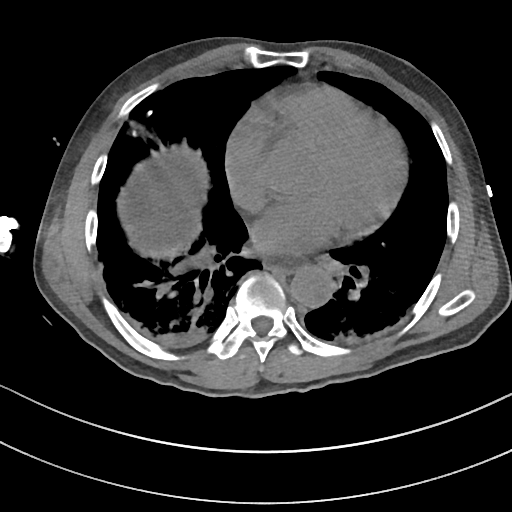 Abdominal CT · axial plane, index 240 · 512x512 px · acquired on SOMATOM Force
<organs><organ name="esophagus" x1="264" y1="256" x2="305" y2="272"/><organ name="liver" x1="143" y1="165" x2="189" y2="241"/><organ name="aorta" x1="290" y1="267" x2="332" y2="307"/></organs>